CT abdomen · axial view · abdomen soft-tissue window
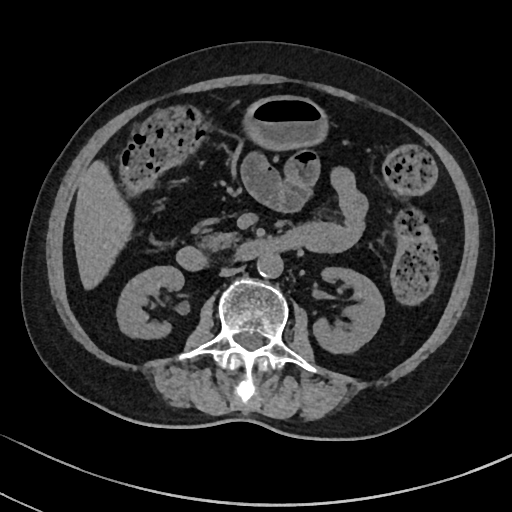

Boxes: x1 y1 x2 y2 (pixel coords, space-separated).
pancreas: 204 232 237 246
right kidney: 116 266 183 336
inferior vena cava: 219 267 239 276
stomach: 247 96 325 149
left kidney: 313 266 384 351
liver: 73 163 132 287
aorta: 257 252 283 277
duodenum: 176 231 304 271